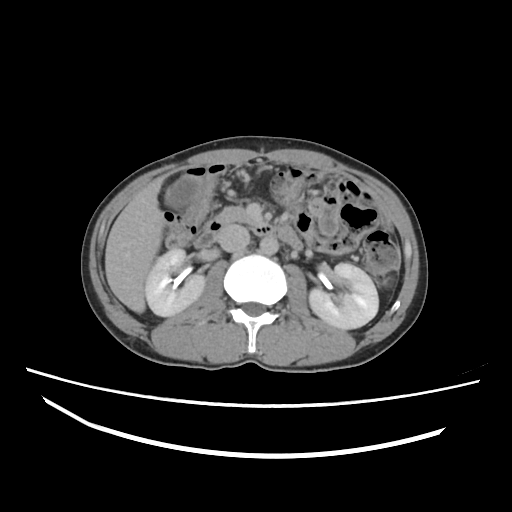
CT abdomen · axial view · 512x512 px · 40-year-old male patient
Coordinates as <box>x1,y1,x2,y2</box> in pixels.
Organ bounding boxes:
- right kidney: <box>145,248,204,316</box>
- left kidney: <box>310,263,378,329</box>
- gall bladder: <box>165,176,201,207</box>
- liver: <box>105,177,165,312</box>
- aorta: <box>260,236,279,254</box>
- inferior vena cava: <box>217,225,250,251</box>
- pancreas: <box>215,206,248,224</box>
- duodenum: <box>193,220,305,250</box>